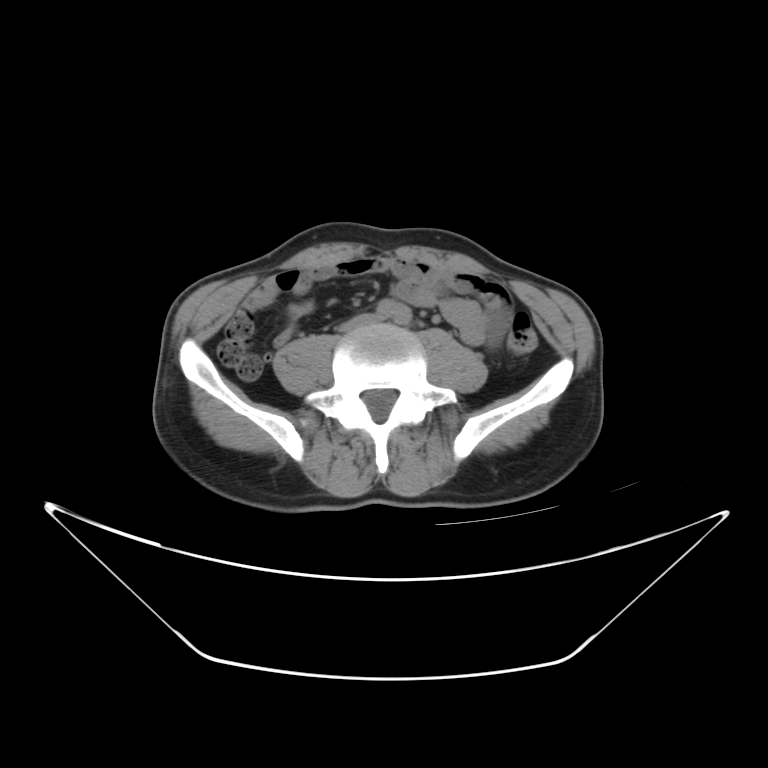

CT abdomen; axial view; soft-tissue window; 768x768 px; acquired on Brilliance16
Boxes are (x1, y1, x2, y2) in pixels.
Organ bounding boxes:
- inferior vena cava: (341, 314, 378, 332)